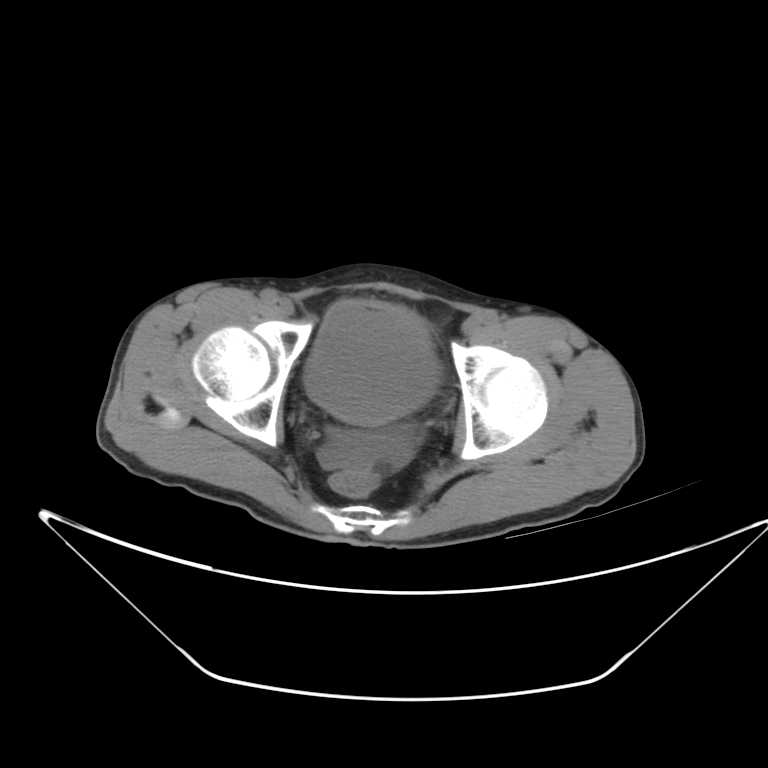
CT abdomen — axial plane, index 18 — soft-tissue window (W 400 / L 40) — 768x768 px — Brilliance16 scanner
<organs><organ name="bladder" x1="303" y1="299" x2="437" y2="426"/></organs>